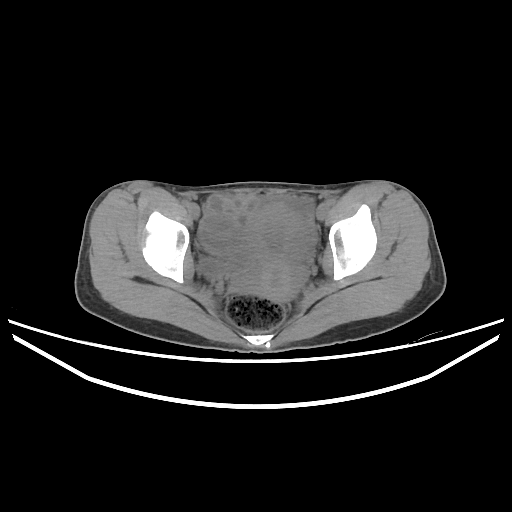

CT, abdomen/pelvis; axial view; Aquilion ONE scanner
{"organs":{"bladder":[198,259,231,277],"prostate/uterus":[244,202,304,299]}}